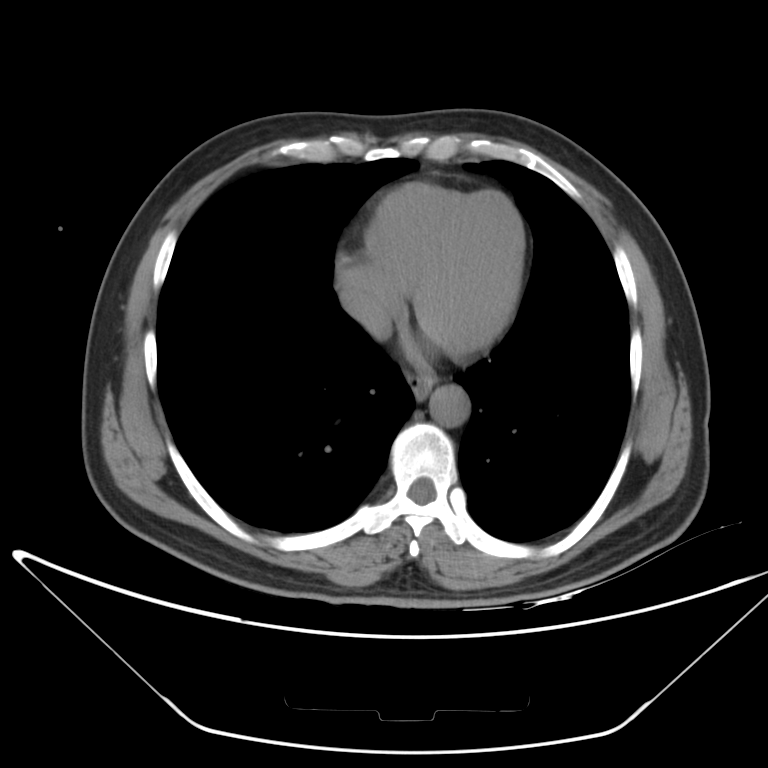
Lower-chest slice from an abdominal CT, just above the liver and spleen. axial view
The heart and lungs are never labeled in this dataset, so they have no box on this slice.
Bounding boxes in pixels, one row per box: x1, y1 is the top-left corner and x2, y2 the bottom-right.
| organ | x1 | y1 | x2 | y2 |
|---|---|---|---|---|
| esophagus | 408 | 374 | 433 | 399 |
| aorta | 428 | 385 | 469 | 426 |
| inferior vena cava | 340 | 277 | 386 | 336 |